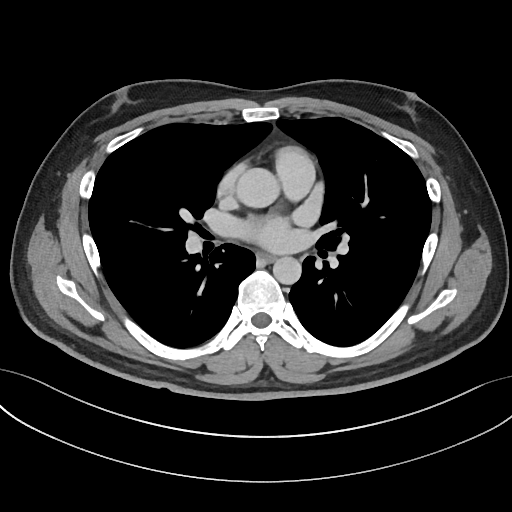

Chest-level CT slice, above the liver and spleen; axial plane, index 273; W/L 400/40 HU; scan has 15 labeled organs (a whole-scan count: organs this slice does not pass through have no box)
At this level of the chest no structure but the esophagus and the aorta has a label in this dataset, and those two are boxed only where they are labeled.
Boxes: x1:y1:x2:y2 in pixels.
esophagus: 257:252:275:262
aorta: 237:168:279:207
aorta: 272:256:301:284